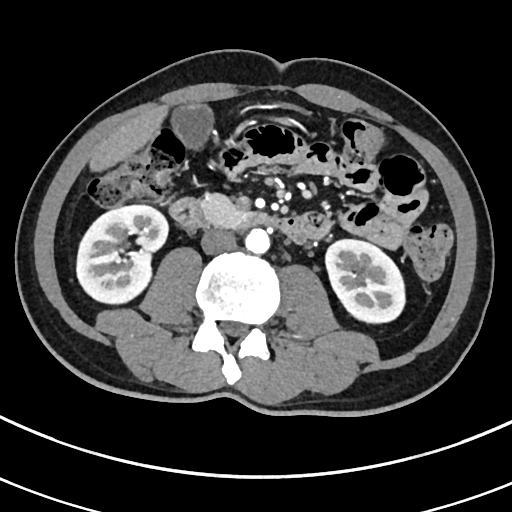
CT abdomen — axial view — soft-tissue window (W 400 / L 40)
Boxes: x1:y1:x2:y2 in pixels.
Organ bounding boxes:
- right kidney: 76:206:167:303
- left kidney: 325:239:406:324
- gall bladder: 170:102:214:152
- liver: 88:104:168:169
- aorta: 244:229:269:254
- inferior vena cava: 200:227:234:254
- pancreas: 198:191:267:228
- duodenum: 167:197:312:242